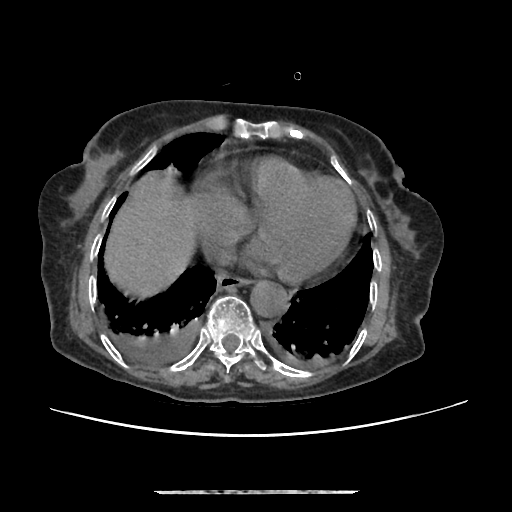 Abdominal CT. axial view. 512x512 px
Boxes: x1 y1 x2 y2 (pixel coords, space-separated).
Organ bounding boxes:
- esophagus: 217 272 249 288
- liver: 102 173 196 296
- aorta: 250 279 287 315
- inferior vena cava: 208 240 236 265